Computed tomography, abdomen. Axial slice 172/202
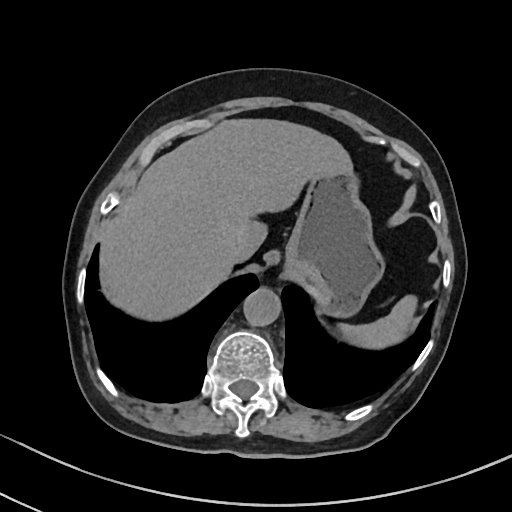

Box edges are left/top/right/bottom in pixels. 5 labeled organs on this slice — spleen at left=340, top=295, right=417, bottom=348; liver at left=98, top=117, right=353, bottom=320; stomach at left=286, top=170, right=385, bottom=318; aorta at left=244, top=287, right=281, bottom=325; inferior vena cava at left=224, top=242, right=242, bottom=264.